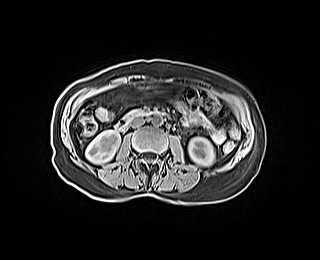

Magnetic resonance imaging, abdomen — axial view — 1st–99th percentile window — acquired on Prisma
Boxes: x1:y1:x2:y2 in pixels.
right kidney: 85:130:120:163
left kidney: 188:137:214:165
aorta: 151:116:162:125
inferior vena cava: 130:118:144:127
pancreas: 130:110:141:112
duodenum: 115:111:167:130